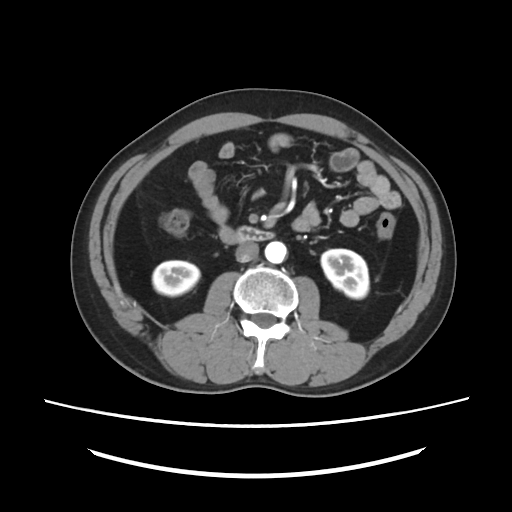 Computed tomography, abdomen; axial view; soft-tissue window (W 400 / L 40); 512x512 px
Coordinates as <box>x1,y1,x2,y2</box> in pixels.
right kidney: <box>152,260,199,295</box>
aorta: <box>264,241,287,263</box>
left kidney: <box>321,249,368,298</box>
inferior vena cava: <box>235,242,259,262</box>
duodenum: <box>235,226,274,243</box>